Abdominal CT; this slice is in the lower chest, just above the liver — axial plane, index 64 — soft-tissue window (W 400 / L 40) — 62-year-old male patient
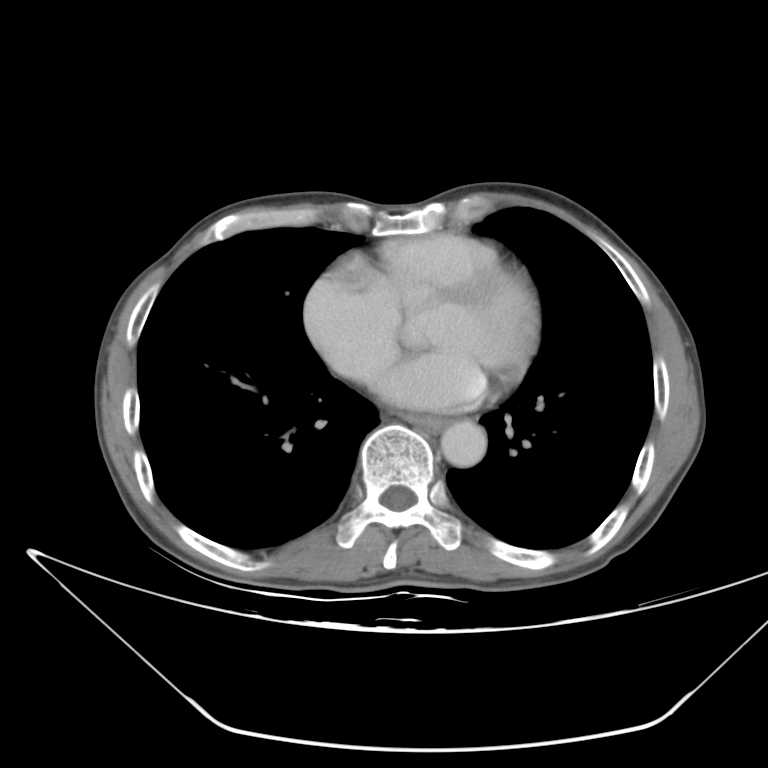 No part of the heart or lungs is labeled in this dataset, so neither has a box here. Box edges are left/top/right/bottom in pixels. The annotated organs in this slice are: aorta at left=442, top=420, right=485, bottom=467, esophagus at left=400, top=412, right=449, bottom=434.